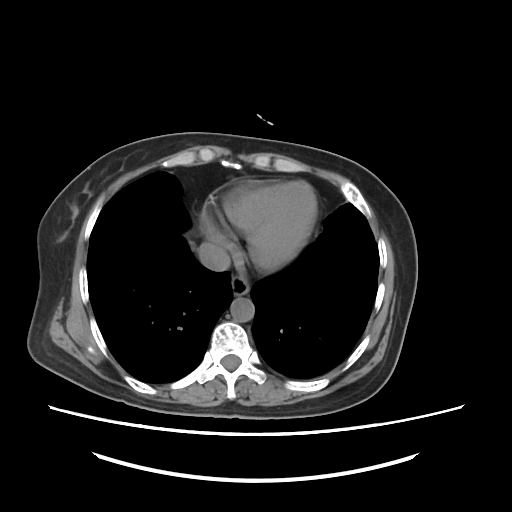

Lower-chest slice from an abdominal CT, just above the liver and spleen. axial view
The heart and lungs are never labeled in this dataset, so they have no box on this slice.
{"organs":{"esophagus":[231,274,250,295],"aorta":[229,295,255,323],"inferior vena cava":[199,244,228,272]}}